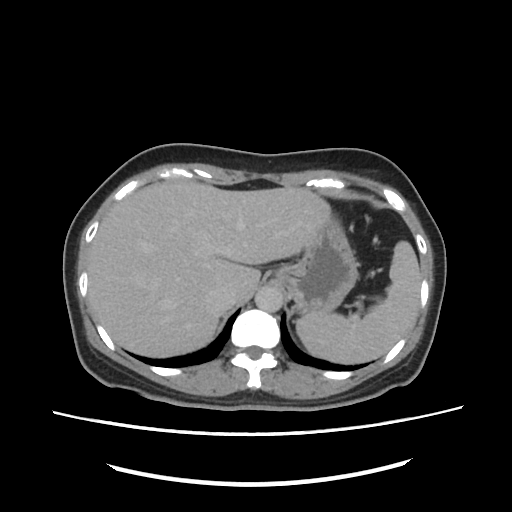
CT, abdomen/pelvis. axial view. W/L 400/40 HU. scan has 15 labeled organs (that count is for the whole scan; organs this slice misses have no box)
One row per box, in pixels: columns x1 and y1 give the top-left corner, x2 and y2 the bottom-right.
| organ | x1 | y1 | x2 | y2 |
|---|---|---|---|---|
| aorta | 255 | 286 | 284 | 312 |
| liver | 88 | 181 | 332 | 356 |
| stomach | 276 | 213 | 357 | 312 |
| inferior vena cava | 211 | 284 | 233 | 304 |
| spleen | 297 | 240 | 421 | 362 |